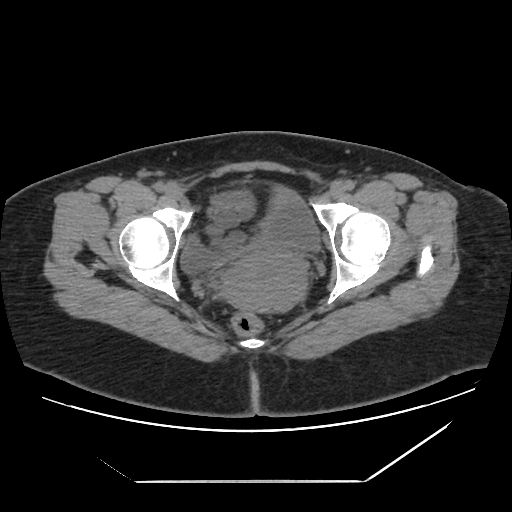

Computed tomography, abdomen · axial view · 15 organs annotated in this scan (that count is for the whole scan; organs this slice misses have no box)
Boxes: x1 y1 x2 y2 (pixel coords, space-separated). The annotated organs in this slice are: bladder at 180 188 320 274, prostate/uterus at 221 249 304 312.